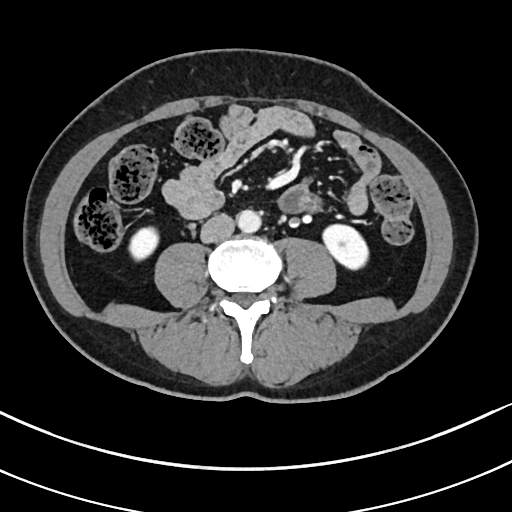 Computed tomography, abdomen. axial view. abdomen soft-tissue window. scan has 15 labeled organs (counted over the whole 3D scan, not this slice; an organ is boxed only where this slice passes through it)
Boxes: x1:y1:x2:y2 in pixels. The annotated organs in this slice are: right kidney at 131:229:157:260, left kidney at 322:224:367:270, aorta at 237:209:261:231, inferior vena cava at 201:214:235:242.